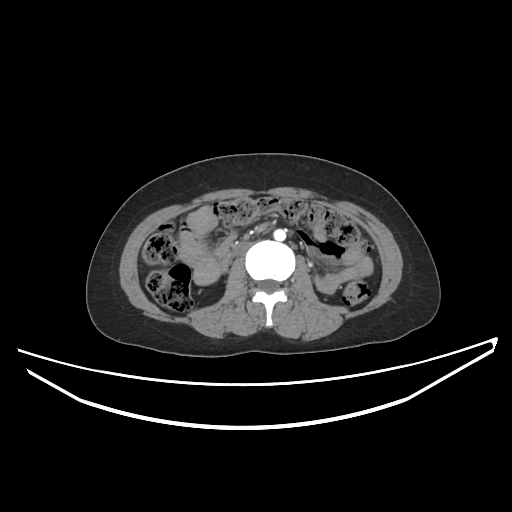
CT, abdomen/pelvis — axial view — abdomen soft-tissue window
Boxes are (x1, y1, x2, y2) in pixels. Labeled organs on this slice: aorta at (273, 229, 285, 240), inferior vena cava at (232, 239, 249, 256).